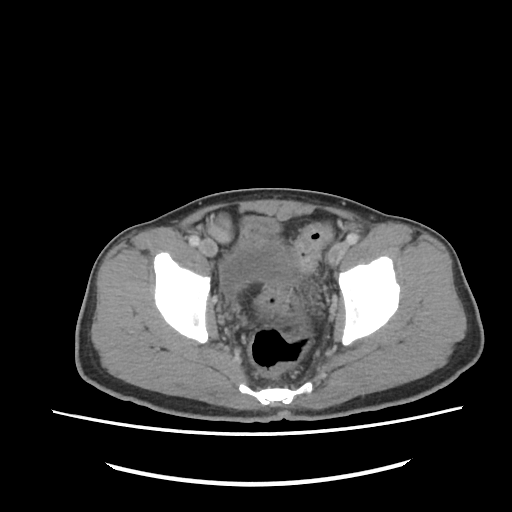
Computed tomography, abdomen — Axial slice 24/123 — Aquilion ONE scanner
{"organs":{"bladder":[220,237,293,296]}}